Abdominal CT reaching into the chest; this slice is in the chest. axial plane, index 262. 512x512 px. acquired on SOMATOM Force
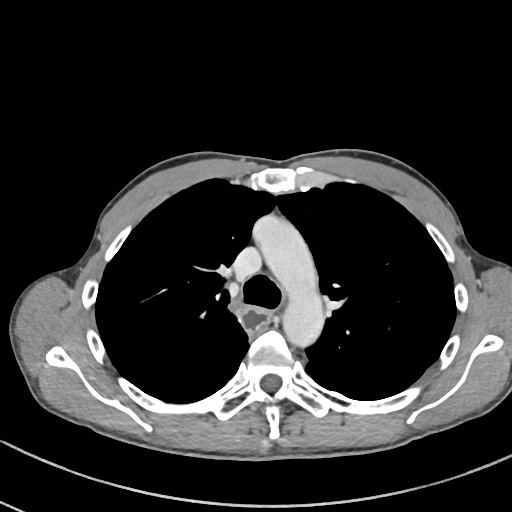
At this level of the chest no structure but the esophagus and the aorta has a label in this dataset, and those two are boxed only where they are labeled.
<organs><organ name="aorta" x1="253" y1="215" x2="324" y2="347"/><organ name="esophagus" x1="236" y1="304" x2="268" y2="333"/></organs>